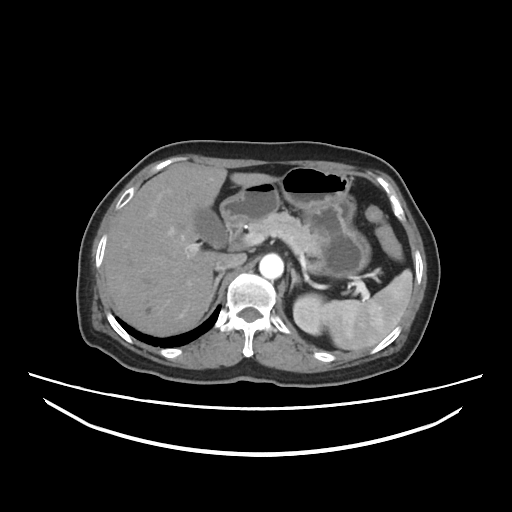

CT, abdomen/pelvis; axial plane, index 61; 62-year-old female patient
Boxes: x1:y1:x2:y2 in pixels.
spleen: 320:269:411:349
left kidney: 292:294:322:335
gall bladder: 194:207:227:249
liver: 103:163:277:333
stomach: 220:166:371:279
aorta: 258:254:284:279
inferior vena cava: 215:254:245:269
pancreas: 246:210:315:253
right adrenal gland: 213:275:222:298
left adrenal gland: 290:269:301:289
duodenum: 225:223:242:240